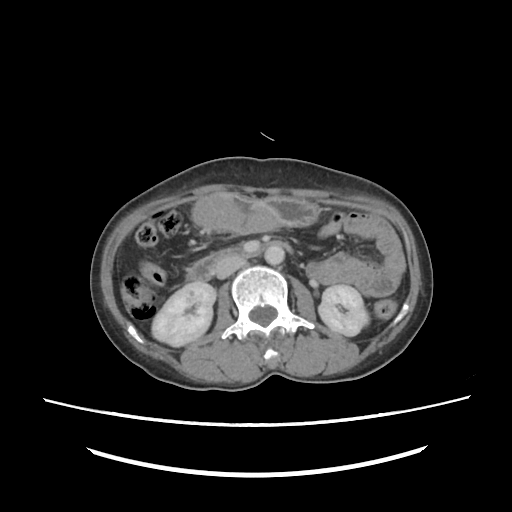

CT abdomen; axial view; abdomen soft-tissue window; scan has 15 labeled organs (a whole-scan count: organs this slice does not pass through have no box)
Boxes are (x1, y1, x2, y2) in pixels.
Organ bounding boxes:
- right kidney: (151, 281, 215, 346)
- left kidney: (318, 284, 369, 335)
- stomach: (193, 192, 319, 232)
- aorta: (264, 244, 284, 264)
- inferior vena cava: (214, 258, 246, 277)
- duodenum: (186, 239, 293, 280)